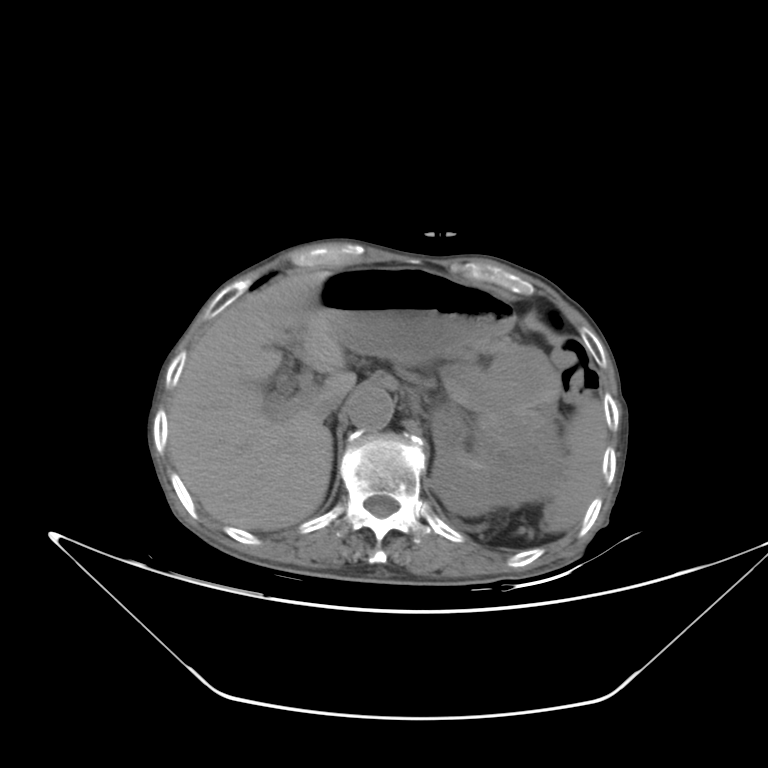
CT, abdomen/pelvis · axial view · W/L 400/40 HU · 768x768 px · scan has 15 labeled organs (a whole-scan count: organs this slice does not pass through have no box)
Each box given as x1,y1,x2,y2.
spleen: x1=544, y1=396, x2=607, y2=533
left kidney: x1=432, y1=342, x2=565, y2=515
liver: x1=171, y1=271, x2=356, y2=533
stomach: x1=307, y1=267, x2=519, y2=361
aorta: x1=349, y1=390, x2=394, y2=432
inferior vena cava: x1=310, y1=392, x2=347, y2=417
pancreas: x1=475, y1=341, x2=513, y2=357